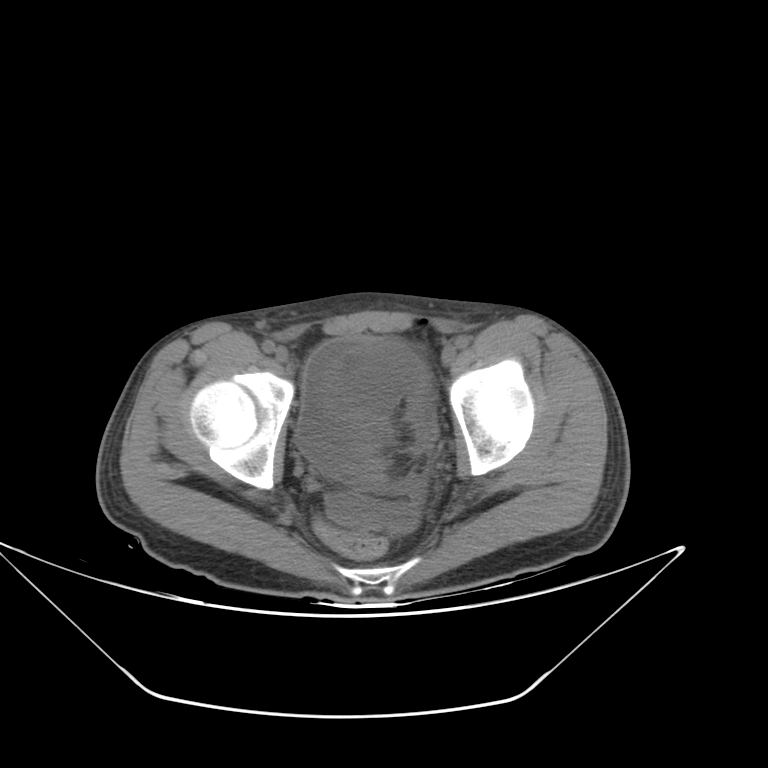 Computed tomography, abdomen. axial view. soft-tissue window. acquired on Brilliance16
<organs><organ name="bladder" x1="295" y1="339" x2="375" y2="478"/></organs>